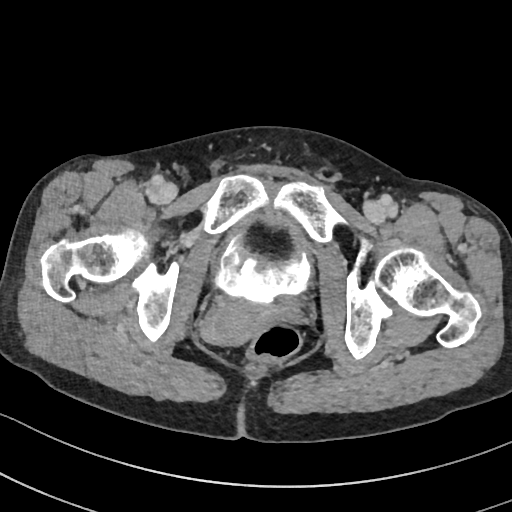 CT, abdomen/pelvis · axial view · W/L 400/40 HU · SOMATOM Force scanner
<organs><organ name="prostate/uterus" x1="200" y1="301" x2="290" y2="347"/><organ name="bladder" x1="214" y1="210" x2="310" y2="303"/></organs>